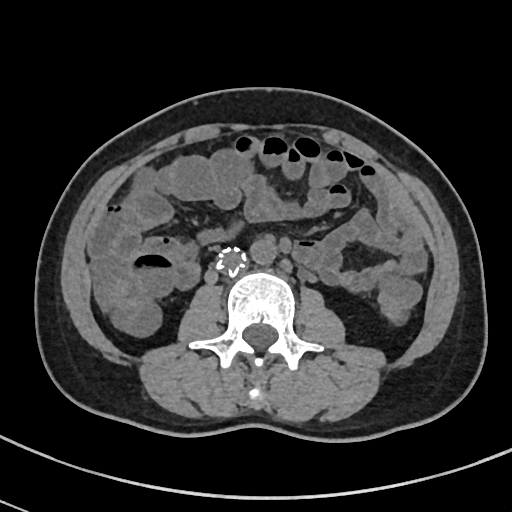 Abdominal CT; axial view; W/L 400/40 HU; SOMATOM Force scanner; 15 organs annotated in this scan (a whole-scan count: organs this slice does not pass through have no box)
Bounding boxes in pixels, one row per box: x1, y1 is the top-left corner and x2, y2 the bottom-right.
| organ | x1 | y1 | x2 | y2 |
|---|---|---|---|---|
| inferior vena cava | 216 | 248 | 246 | 275 |
| aorta | 250 | 236 | 276 | 264 |